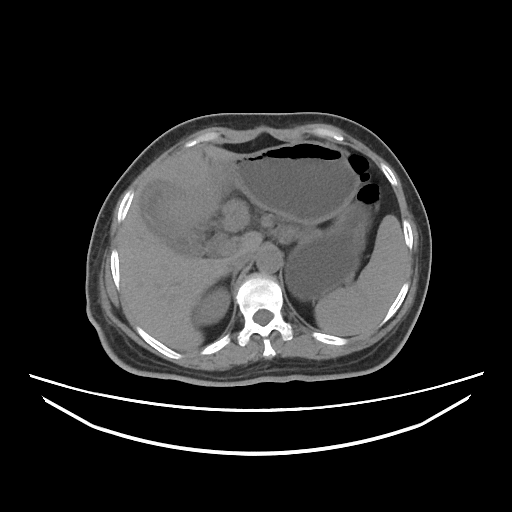 CT, abdomen/pelvis · axial view · soft-tissue window · 49-year-old female patient
Coordinates as <box>x1,y1,x2,y2</box> in pixels.
stomach: <box>175,141,368,300</box>
inferior vena cava: <box>228,251,254,269</box>
liver: <box>118,145,262,351</box>
aorta: <box>256,246,281,273</box>
gall bladder: <box>141,181,197,251</box>
spleen: <box>314,215,407,335</box>
right kidney: <box>194,286,229,325</box>
right adrenal gland: <box>224,268,238,290</box>